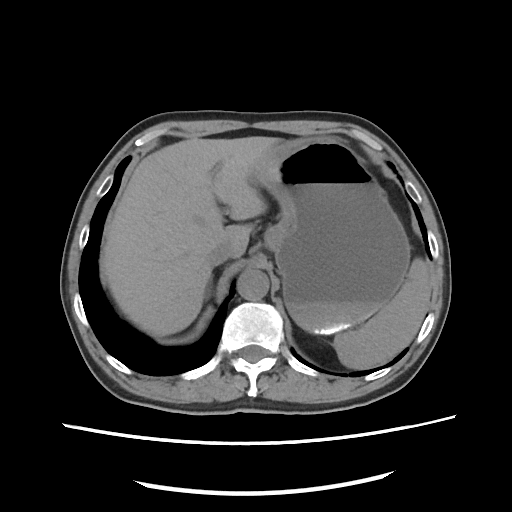 CT abdomen — axial view
Boxes: x1:y1:x2:y2 in pixels.
Organ bounding boxes:
- spleen: 333:258:430:369
- liver: 100:136:277:336
- stomach: 255:137:410:332
- aorta: 237:269:269:300
- inferior vena cava: 206:244:235:267
- right adrenal gland: 205:276:213:300